CT abdomen. axial view. W/L 400/40 HU. acquired on Brilliance16
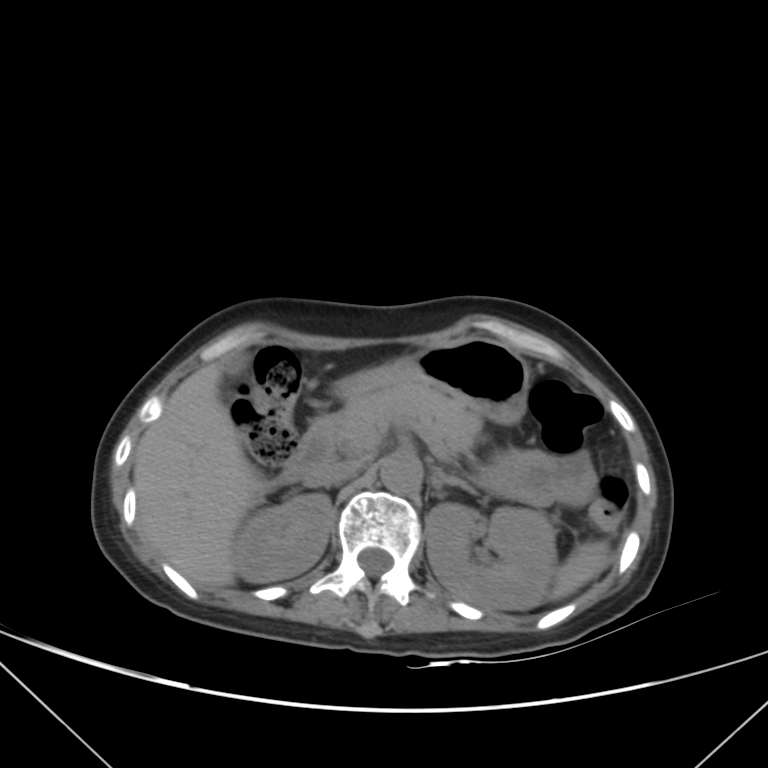

{"organs":{"spleen":[550,540,611,600],"right kidney":[232,494,331,581],"left kidney":[426,502,556,610],"gall bladder":[225,352,249,378],"liver":[134,362,266,588],"stomach":[335,337,530,424],"aorta":[381,455,422,493],"inferior vena cava":[308,460,361,486],"pancreas":[333,387,481,457],"left adrenal gland":[436,470,472,491],"duodenum":[276,416,334,484]}}